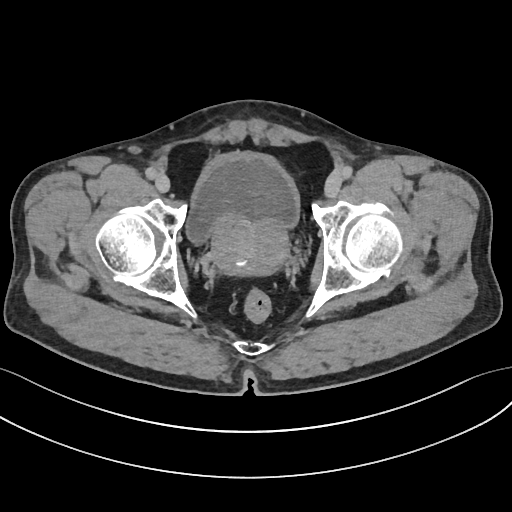 CT, abdomen/pelvis — axial view — soft-tissue window — 512x512 px — scan has 15 labeled organs (counted over the whole 3D scan, not this slice; an organ is boxed only where this slice passes through it)
<organs><organ name="bladder" x1="185" y1="151" x2="299" y2="245"/><organ name="prostate/uterus" x1="208" y1="216" x2="290" y2="275"/></organs>